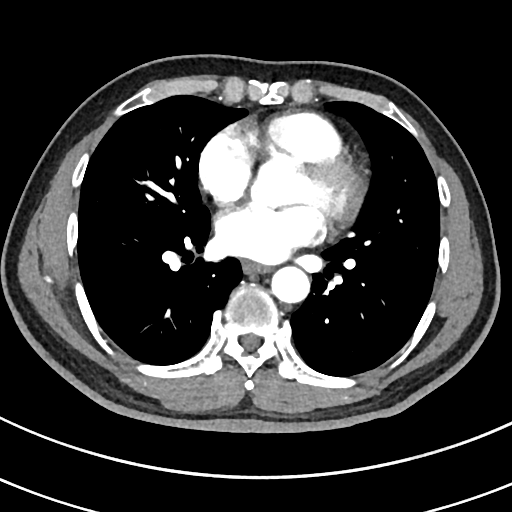 Chest-level slice from an abdominal CT that extends up into the chest. Axial slice 219/302. soft-tissue window (W 400 / L 40)
At this level of the chest no structure but the esophagus and the aorta has a label in this dataset, and those two are boxed only where they are labeled. Box edges are left/top/right/bottom in pixels. Labeled organs on this slice: aorta at left=271, top=266, right=309, bottom=302, esophagus at left=242, top=261, right=268, bottom=273.